Abdominal CT reaching into the chest; this slice is in the chest. axial plane, index 86. scan has 15 labeled organs (counted over the whole 3D scan, not this slice; an organ is boxed only where this slice passes through it)
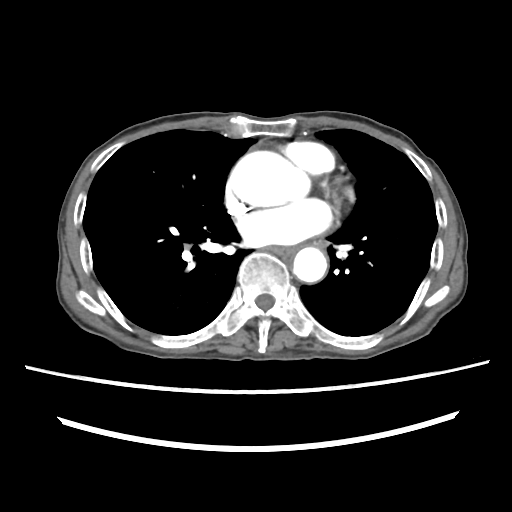 On a slice this high in the chest, this dataset labels only the esophagus and the aorta, and each is boxed only where it is labeled; the heart, lungs and other chest structures are not labeled.
{"organs":{"esophagus":[268,245,296,256],"aorta":[[230,151,309,206],[293,247,327,282]]}}